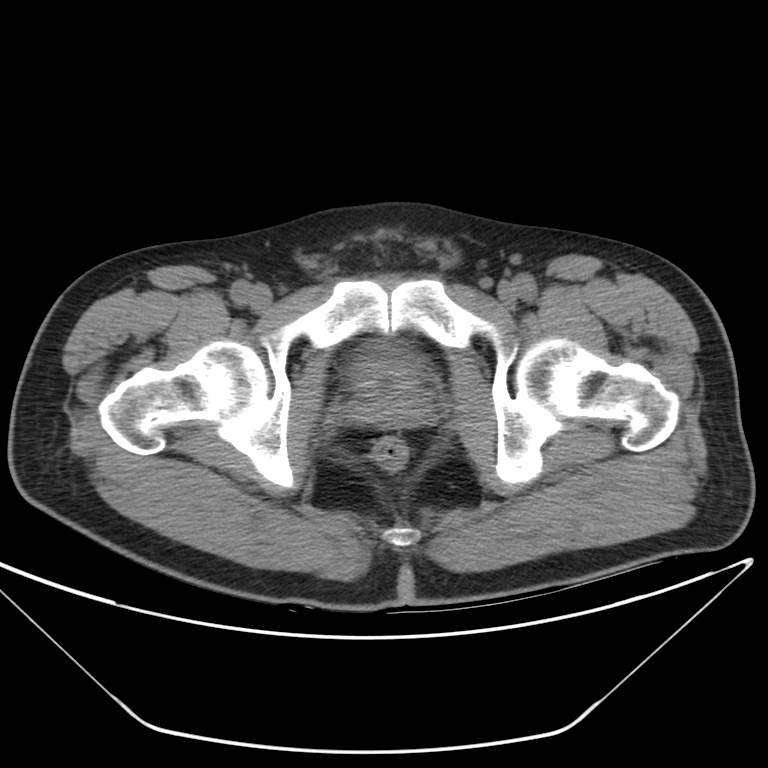 CT abdomen · axial plane, index 16 · abdomen soft-tissue window · 768x768 px · acquired on Brilliance16 · scan has 15 labeled organs (that count is for the whole scan; organs this slice misses have no box)
Boxes are (x1, y1, x2, y2) in pixels. Labeled organs on this slice: bladder at (350, 345, 413, 388), prostate/uterus at (350, 382, 430, 426).